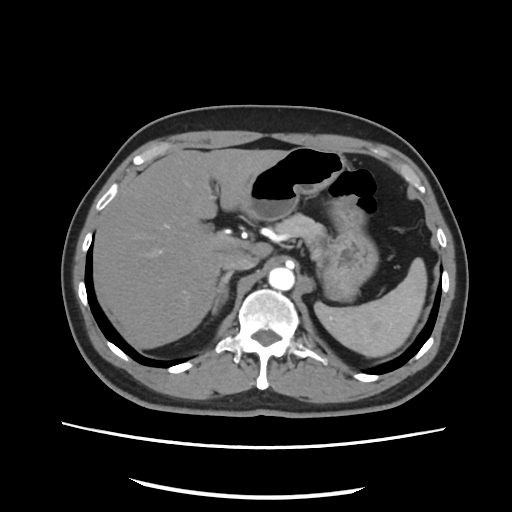 Computed tomography, abdomen. axial view. 66-year-old male patient. scan has 15 labeled organs (a whole-scan count: organs this slice does not pass through have no box)
Bounding boxes as [x1, y1, x2, y2] in pixel coordinates.
spleen: [316, 257, 426, 356]
liver: [94, 148, 286, 348]
stomach: [239, 146, 378, 301]
aorta: [268, 267, 294, 289]
inferior vena cava: [221, 246, 257, 272]
pancreas: [274, 213, 327, 263]
right adrenal gland: [212, 271, 233, 314]